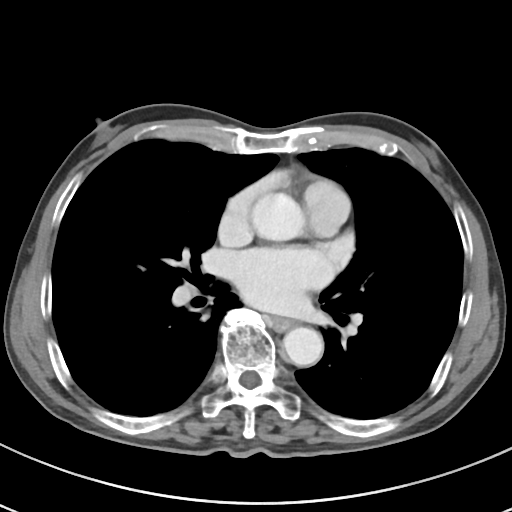
Chest-level slice from an abdominal CT that extends up into the chest; axial view; soft-tissue window, W/L 400/40; SOMATOM Force scanner; scan has 15 labeled organs (that count is for the whole scan; organs this slice misses have no box)
At this level of the chest this dataset labels only the esophagus and the aorta, and each is boxed only where it is labeled; the heart and lungs are never labeled.
Boxes are (x1, y1, x2, y2) in pixels.
Organ bounding boxes:
- esophagus: (271, 316, 293, 330)
- aorta: (249, 192, 303, 239)
- aorta: (282, 327, 323, 366)